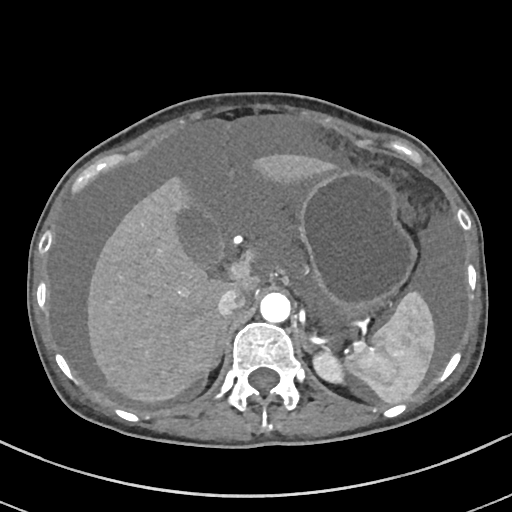 CT abdomen; axial view; soft-tissue window; 512x512 px
Organ boxes in pixel coordinates; each row gives the top-left (x1, y1) and bottom-right (x2, y2) corners.
| organ | x1 | y1 | x2 | y2 |
|---|---|---|---|---|
| spleen | 343 | 289 | 434 | 403 |
| left kidney | 312 | 352 | 342 | 382 |
| gall bladder | 179 | 214 | 223 | 267 |
| liver | 87 | 155 | 333 | 404 |
| stomach | 300 | 172 | 415 | 315 |
| aorta | 259 | 293 | 290 | 322 |
| inferior vena cava | 217 | 288 | 246 | 317 |
| right adrenal gland | 203 | 319 | 229 | 382 |
| left adrenal gland | 300 | 330 | 311 | 353 |